Computed tomography, abdomen. axial view. 512x512 px. acquired on SOMATOM Force
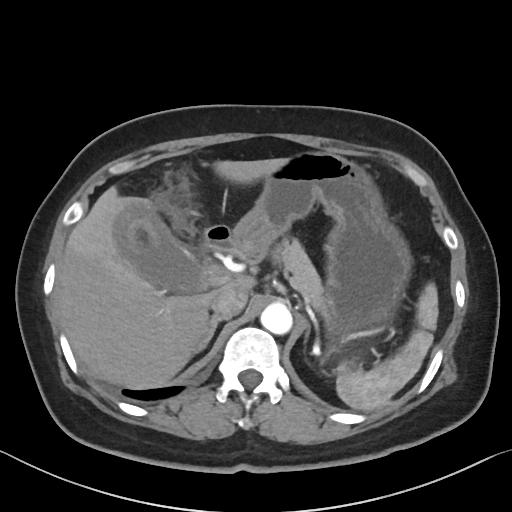 Each box given as x1,y1,x2,y2. 10 labeled organs on this slice — spleen at x1=336, y1=282, x2=438, y2=410; gall bladder at x1=114, y1=203, x2=205, y2=292; liver at x1=56, y1=158, x2=284, y2=389; stomach at x1=227, y1=151, x2=409, y2=338; aorta at x1=260, y1=302, x2=292, y2=334; inferior vena cava at x1=210, y1=286, x2=247, y2=319; pancreas at x1=273, y1=239, x2=323, y2=307; right adrenal gland at x1=196, y1=315, x2=222, y2=353; left adrenal gland at x1=306, y1=333, x2=307, y2=336; duodenum at x1=204, y1=226, x2=230, y2=250.